Computed tomography, abdomen — axial plane, index 69 — soft-tissue window (W 400 / L 40) — 512x512 px
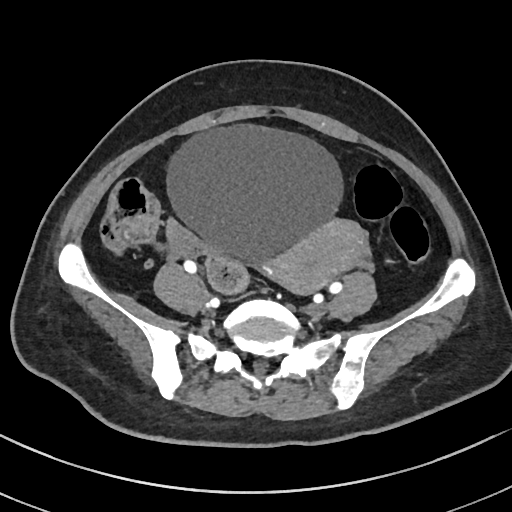

Each box given as x1,y1,x2,y2. 2 labeled organs on this slice — bladder at x1=163, y1=123, x2=341, y2=266; prostate/uterus at x1=268, y1=219, x2=369, y2=296.